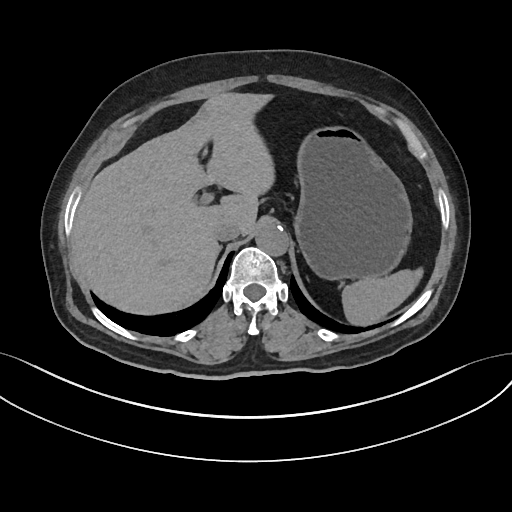
Abdominal CT. Axial slice 166/207
Boxes are (x1, y1, x2, y2) in pixels.
Organ bounding boxes:
- spleen: (342, 268, 423, 325)
- liver: (72, 92, 274, 314)
- stomach: (294, 126, 412, 280)
- aorta: (255, 224, 288, 256)
- inferior vena cava: (213, 222, 240, 240)